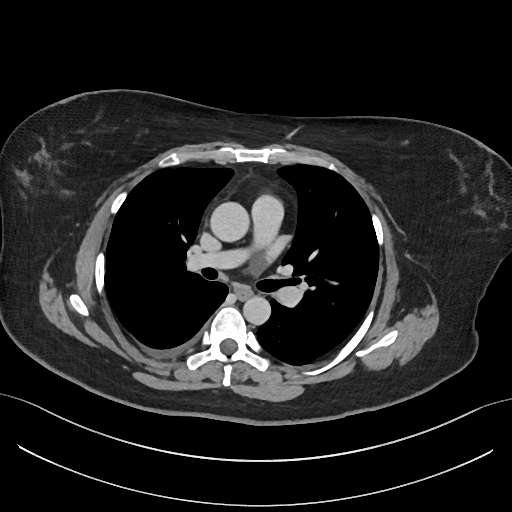

Abdominal CT reaching into the chest; this slice is in the chest · axial view · soft-tissue window, W/L 400/40 · 15 organs annotated in this scan (that count is for the whole scan; organs this slice misses have no box)
At this level of the chest this dataset labels only the esophagus and the aorta, and each is boxed only where it is labeled; the heart and lungs are never labeled.
Bounding boxes in pixels, one row per box: x1, y1 is the top-left corner and x2, y2 the bottom-right.
| organ | x1 | y1 | x2 | y2 |
|---|---|---|---|---|
| esophagus | 236 | 287 | 252 | 298 |
| aorta | 209 | 202 | 249 | 242 |
| aorta | 243 | 296 | 271 | 325 |